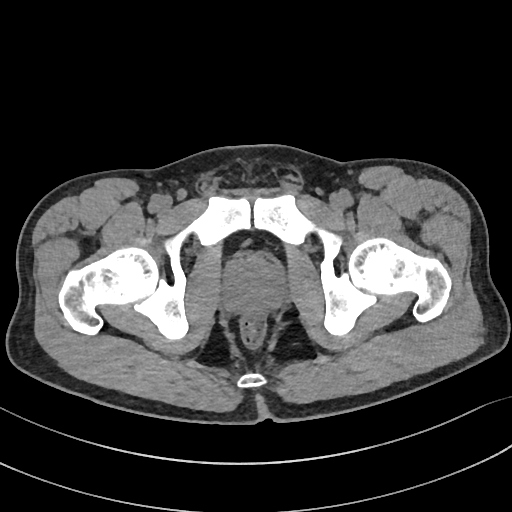

CT abdomen · Axial slice 27/228 · soft-tissue window (W 400 / L 40)
Coordinates as <box>x1,y1,x2,y2</box> in pixels.
Organ bounding boxes:
- prostate/uterus: <box>225,256,284,310</box>